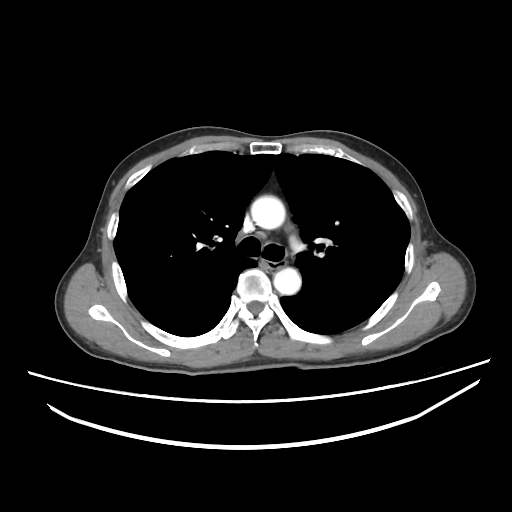

Chest-level CT slice, above the liver and spleen; axial view; soft-tissue window; scan has 13 labeled organs (a whole-scan count: organs this slice does not pass through have no box)
At this level of the chest this dataset labels only the esophagus and the aorta, and each is boxed only where it is labeled; the heart and lungs are never labeled.
One row per box, in pixels: columns x1 and y1 give the top-left corner, x2 and y2 the bottom-right.
| organ | x1 | y1 | x2 | y2 |
|---|---|---|---|---|
| esophagus | 263 | 259 | 282 | 268 |
| aorta | 251 | 195 | 285 | 229 |
| aorta | 273 | 267 | 301 | 294 |